Abdominal CT; axial view; soft-tissue window (W 400 / L 40); 15 organs annotated in this scan (a whole-scan count: organs this slice does not pass through have no box)
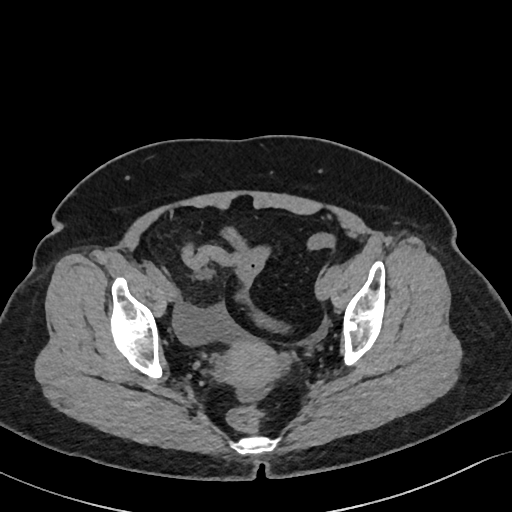
{"organs":{"prostate/uterus":[219,338,277,384]}}